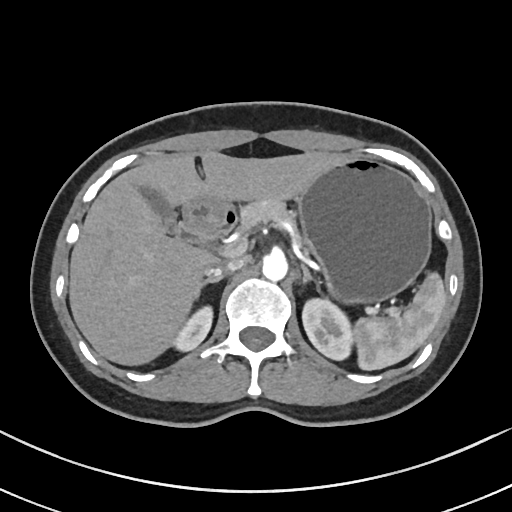
CT, abdomen/pelvis — Axial slice 181/242 — soft-tissue window (W 400 / L 40) — 512x512 px — acquired on SOMATOM Force
Box edges are left/top/right/bottom in pixels.
Organ bounding boxes:
- spleen: left=353, top=272, right=446, bottom=370
- right kidney: left=172, top=305, right=213, bottom=351
- left kidney: left=302, top=298, right=354, bottom=360
- gall bladder: left=141, top=187, right=177, bottom=234
- liver: left=68, top=150, right=345, bottom=365
- stomach: left=184, top=157, right=431, bottom=303
- aorta: left=262, top=254, right=288, bottom=281
- inferior vena cava: left=207, top=256, right=249, bottom=276
- pancreas: left=240, top=198, right=292, bottom=230
- right adrenal gland: left=202, top=277, right=221, bottom=286
- left adrenal gland: left=302, top=266, right=319, bottom=290
- duodenum: left=175, top=207, right=237, bottom=244